Computed tomography, abdomen; axial plane, index 75
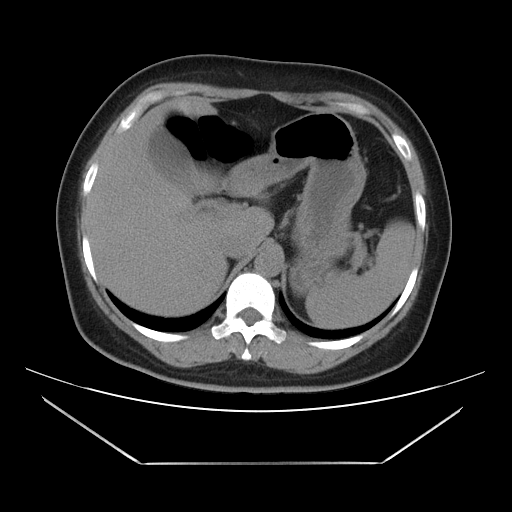

Boxes are (x1, y1, x2, y2) in pixels.
spleen: (305, 221, 414, 328)
gall bladder: (149, 125, 194, 194)
liver: (86, 97, 273, 316)
stomach: (223, 111, 366, 294)
aorta: (254, 248, 283, 276)
inferior vena cava: (219, 235, 251, 258)